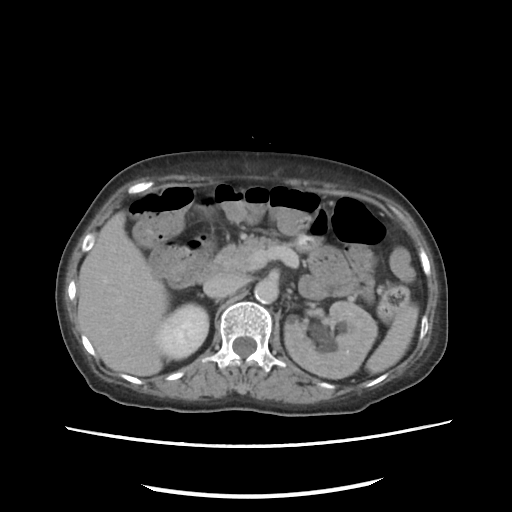

Computed tomography, abdomen. axial view. abdomen soft-tissue window. 512x512 px. 52-year-old female patient
<organs><organ name="spleen" x1="366" y1="305" x2="418" y2="373"/><organ name="right kidney" x1="156" y1="303" x2="208" y2="359"/><organ name="left kidney" x1="284" y1="301" x2="377" y2="378"/><organ name="liver" x1="78" y1="211" x2="167" y2="376"/><organ name="aorta" x1="254" y1="279" x2="278" y2="303"/><organ name="inferior vena cava" x1="203" y1="274" x2="239" y2="298"/><organ name="pancreas" x1="213" y1="236" x2="290" y2="272"/><organ name="right adrenal gland" x1="200" y1="294" x2="202" y2="296"/><organ name="duodenum" x1="196" y1="262" x2="220" y2="281"/></organs>